CT abdomen; axial view
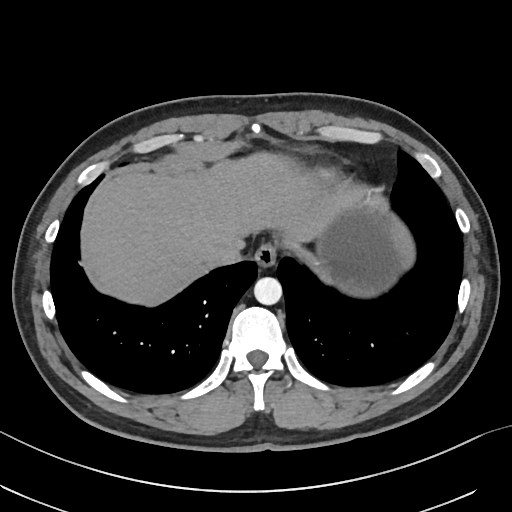 {"organs":{"esophagus":[254,245,276,266],"liver":[86,153,358,304],"stomach":[316,188,416,295],"aorta":[254,276,282,304],"inferior vena cava":[209,243,242,267]}}